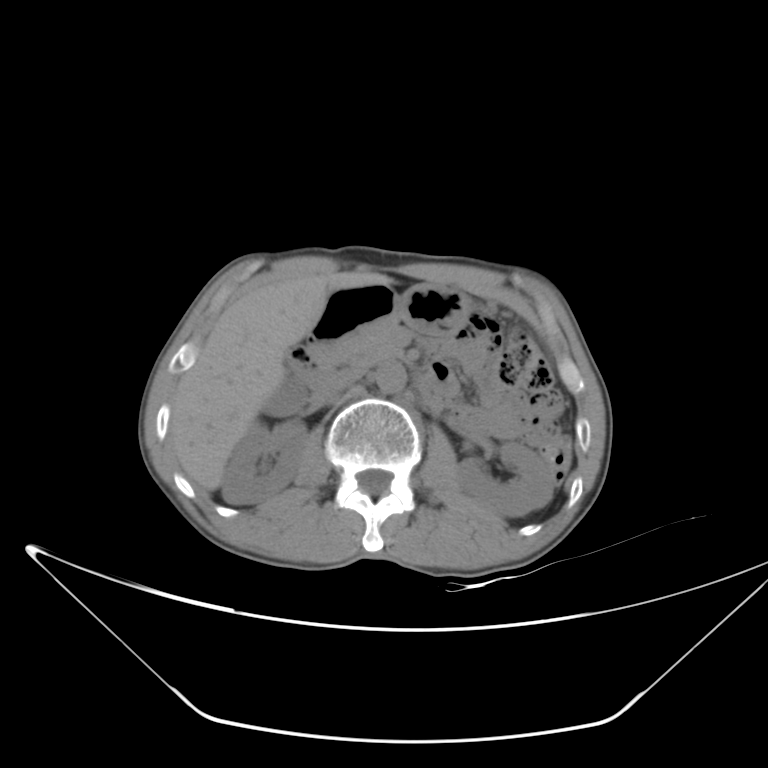

CT, abdomen/pelvis; Axial slice 68/81; W/L 400/40 HU
Bounding boxes in pixels, one row per box: x1, y1 is the top-left corner and x2, y2 the bottom-right.
| organ | x1 | y1 | x2 | y2 |
|---|---|---|---|---|
| right kidney | 222 | 419 | 307 | 503 |
| duodenum | 287 | 283 | 459 | 399 |
| inferior vena cava | 324 | 369 | 362 | 392 |
| aorta | 376 | 362 | 405 | 392 |
| pancreas | 321 | 333 | 400 | 371 |
| left kidney | 455 | 441 | 554 | 516 |
| liver | 170 | 271 | 394 | 490 |
| stomach | 318 | 284 | 470 | 333 |
| gall bladder | 262 | 375 | 305 | 414 |